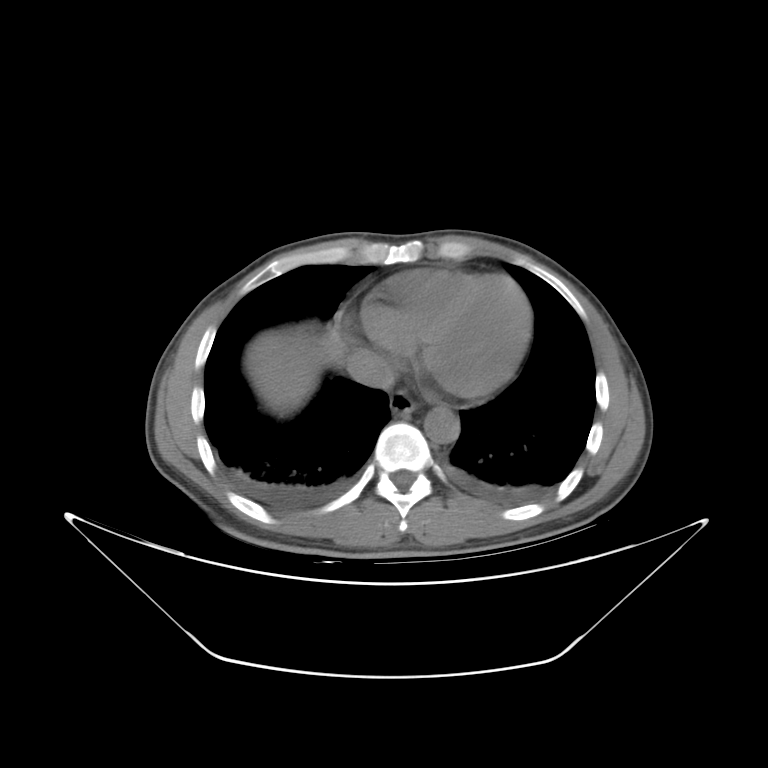

Abdominal CT. axial view. soft-tissue window (W 400 / L 40). 768x768 px. 39-year-old male patient
<organs><organ name="esophagus" x1="389" y1="390" x2="418" y2="415"/><organ name="inferior vena cava" x1="346" y1="349" x2="395" y2="389"/><organ name="liver" x1="245" y1="326" x2="345" y2="414"/><organ name="aorta" x1="424" y1="407" x2="459" y2="443"/></organs>